Abdominal CT. axial view
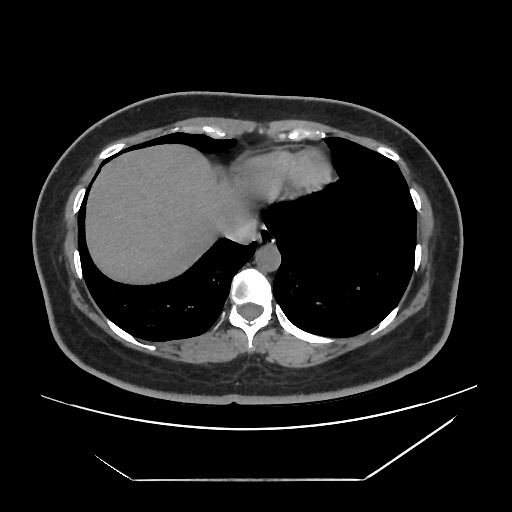 {"organs":{"esophagus":[257,226,274,242],"liver":[84,143,252,286],"aorta":[255,243,279,269],"inferior vena cava":[222,214,258,243]}}